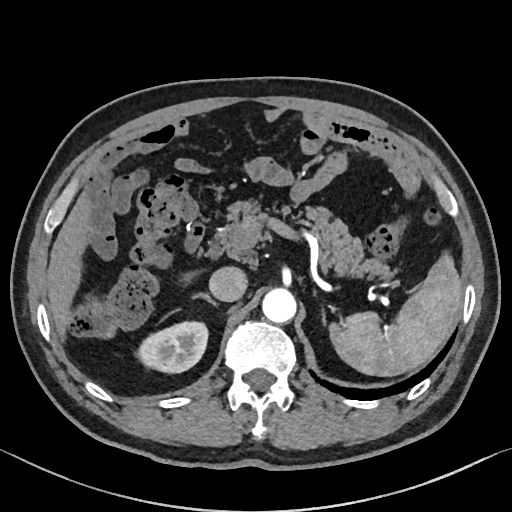
Computed tomography, abdomen — axial view — abdomen soft-tissue window — SOMATOM Force scanner — scan has 15 labeled organs (that count is for the whole scan; organs this slice misses have no box)
<organs><organ name="spleen" x1="330" y1="256" x2="462" y2="375"/><organ name="right kidney" x1="138" y1="323" x2="206" y2="372"/><organ name="liver" x1="46" y1="186" x2="195" y2="337"/><organ name="aorta" x1="261" y1="289" x2="296" y2="324"/><organ name="inferior vena cava" x1="209" y1="267" x2="247" y2="301"/><organ name="pancreas" x1="209" y1="201" x2="391" y2="279"/><organ name="right adrenal gland" x1="192" y1="294" x2="219" y2="307"/><organ name="left adrenal gland" x1="321" y1="313" x2="326" y2="325"/><organ name="duodenum" x1="187" y1="218" x2="277" y2="253"/></organs>